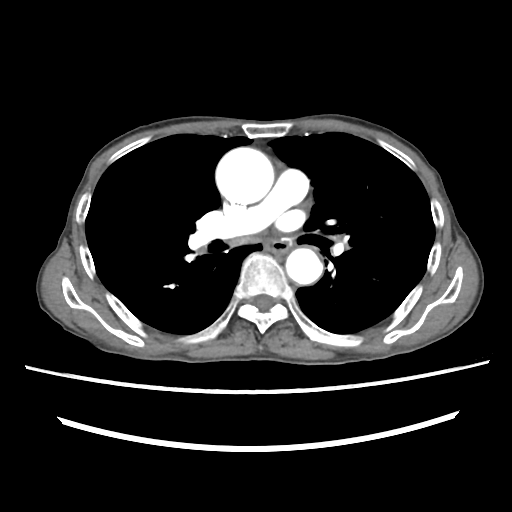
Chest-level CT slice, above the liver and spleen. axial view. soft-tissue window, W/L 400/40. 81-year-old male patient
At this level of the chest this dataset labels only the esophagus and the aorta, and each is boxed only where it is labeled; the heart and lungs are never labeled.
Organ boxes in pixel coordinates; each row gives the top-left (x1, y1) and bottom-right (x2, y2) corners.
| organ | x1 | y1 | x2 | y2 |
|---|---|---|---|---|
| esophagus | 266 | 240 | 289 | 251 |
| aorta | 216 | 147 | 274 | 204 |
| aorta | 285 | 248 | 322 | 284 |